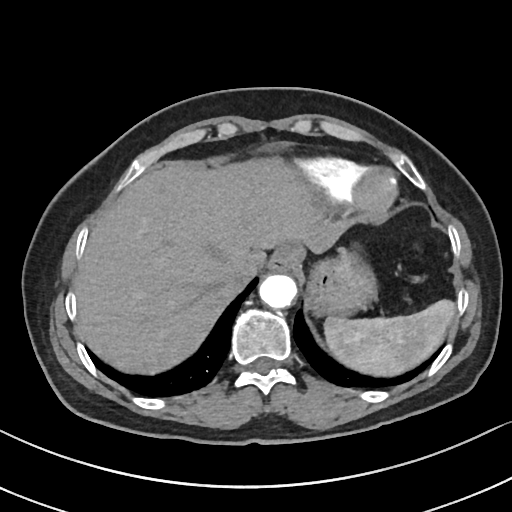

CT, abdomen/pelvis; axial view; soft-tissue window; 512x512 px
Boxes: x1:y1:x2:y2 in pixels. The annotated organs in this slice are: spleen at 325:300:454:374, esophagus at 269:242:306:274, liver at 75:163:354:374, stomach at 307:253:374:315, aorta at 260:275:297:308, inferior vena cava at 223:258:260:284.